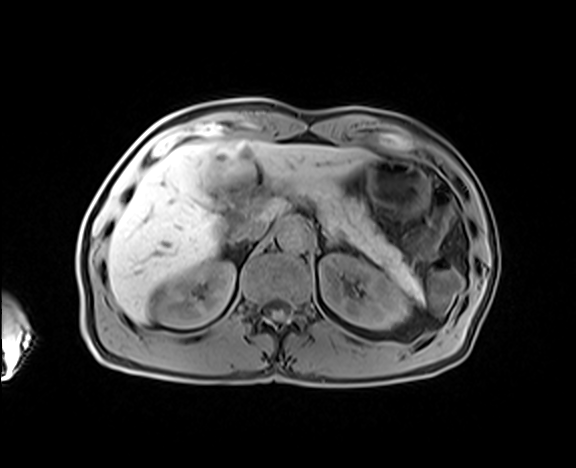 Abdominal MRI. axial view
Coordinates as <box>x1,y1,x2,y2</box> in pixels.
Organ bounding boxes:
- right kidney: <box>154,261,235,327</box>
- left kidney: <box>319,254,408,328</box>
- liver: <box>107,141,375,322</box>
- stomach: <box>365,158,429,218</box>
- aorta: <box>278,220,310,251</box>
- inferior vena cava: <box>232,219,268,241</box>
- pancreas: <box>318,190,429,310</box>
- left adrenal gland: <box>321,229,345,250</box>